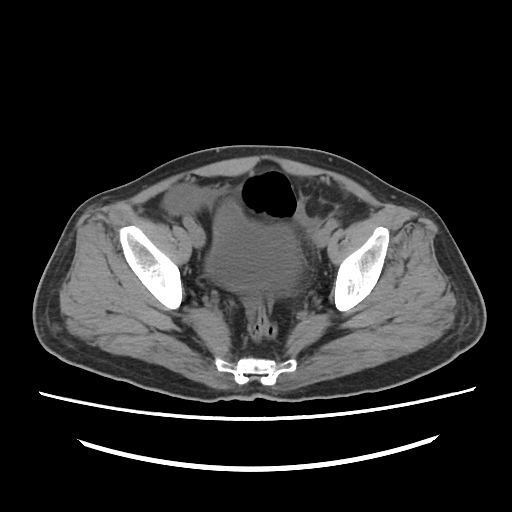

CT abdomen. Axial slice 22/87. 512x512 px
Boxes: x1:y1:x2:y2 in pixels.
Organ bounding boxes:
- bladder: 205:200:299:290